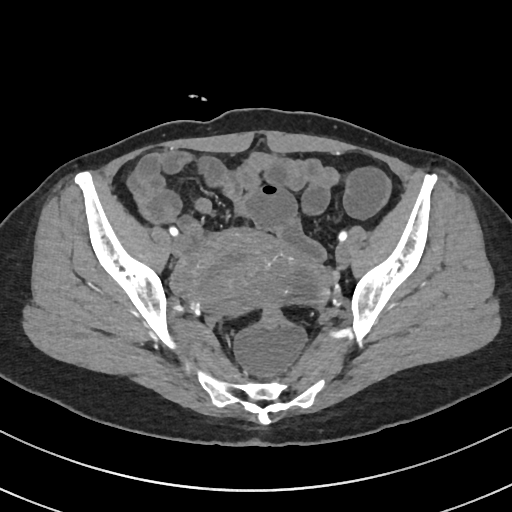
CT, abdomen/pelvis; Axial slice 78/242; abdomen soft-tissue window; 512x512 px; SOMATOM Force scanner; 15 organs annotated in this scan (that count is for the whole scan; organs this slice misses have no box)
Boxes are (x1, y1, x2, y2) in pixels.
prostate/uterus: (190, 231, 278, 312)